Abdominal CT — axial view — 512x512 px — SOMATOM Force scanner
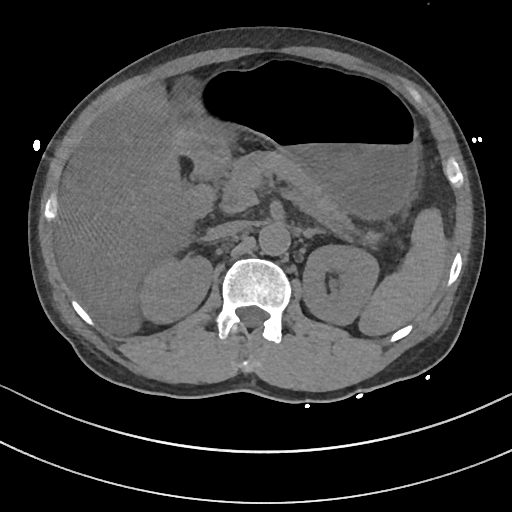
<organs><organ name="aorta" x1="258" y1="221" x2="290" y2="254"/><organ name="inferior vena cava" x1="206" y1="220" x2="247" y2="239"/><organ name="stomach" x1="173" y1="67" x2="416" y2="216"/><organ name="spleen" x1="359" y1="208" x2="446" y2="334"/><organ name="duodenum" x1="178" y1="183" x2="216" y2="224"/><organ name="pancreas" x1="220" y1="151" x2="382" y2="247"/><organ name="left adrenal gland" x1="303" y1="227" x2="324" y2="235"/><organ name="left kidney" x1="303" y1="244" x2="379" y2="325"/><organ name="liver" x1="57" y1="83" x2="188" y2="329"/><organ name="right kidney" x1="141" y1="254" x2="211" y2="323"/><organ name="gall bladder" x1="167" y1="91" x2="203" y2="130"/></organs>